Computed tomography, abdomen; axial view; 43-year-old female patient; Aquilion ONE scanner
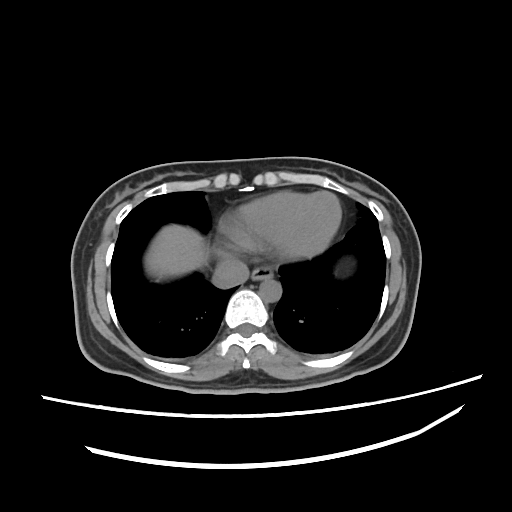 Boxes are (x1, y1, x2, y2) in pixels.
Organ bounding boxes:
- esophagus: (253, 265, 273, 279)
- liver: (143, 223, 210, 281)
- aorta: (260, 277, 281, 300)
- inferior vena cava: (212, 255, 248, 289)